Abdominal CT · axial view · soft-tissue window (W 400 / L 40) · 512x512 px · 68-year-old female patient · acquired on Aquilion ONE
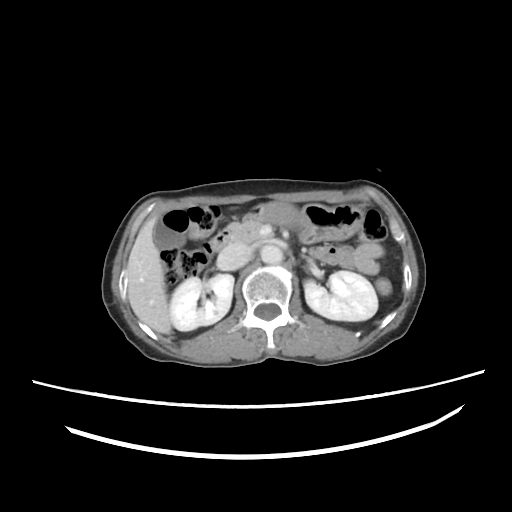 Coordinates as <box>x1,y1,x2,y2</box> in pixels. Labeled organs on this slice: inferior vena cava at <box>216,244,250,270</box>, right kidney at <box>170,273,234,329</box>, pancreas at <box>228,222,272,243</box>, duodenum at <box>210,210,258,251</box>, left kidney at <box>303,271,378,320</box>, gall bladder at <box>153,219,184,248</box>, aorta at <box>260,246,282,264</box>, stomach at <box>255,202,363,242</box>, left adrenal gland at <box>303,255,311,261</box>, liver at <box>126,217,173,333</box>.